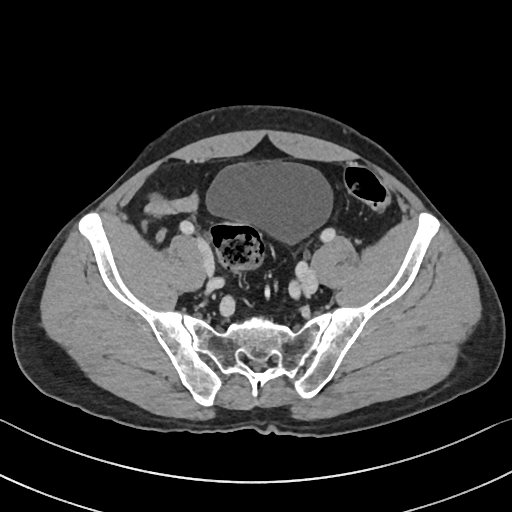
Abdominal CT. Axial slice 56/291
Organ boxes in pixel coordinates; each row gives the top-left (x1, y1) and bottom-right (x2, y2) corners.
| organ | x1 | y1 | x2 | y2 |
|---|---|---|---|---|
| bladder | 207 | 160 | 332 | 240 |